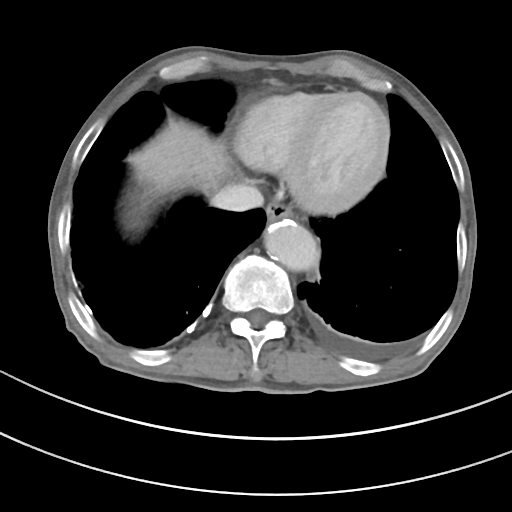

CT abdomen · axial plane, index 74 · 512x512 px · scan has 15 labeled organs (that count is for the whole scan; organs this slice misses have no box)
Bounding boxes in pixels, one row per box: x1, y1 is the top-left corner and x2, y2 the bottom-right.
| organ | x1 | y1 | x2 | y2 |
|---|---|---|---|---|
| esophagus | 266 | 200 | 292 | 223 |
| liver | 129 | 120 | 225 | 193 |
| aorta | 265 | 220 | 319 | 270 |
| inferior vena cava | 211 | 184 | 263 | 212 |